Computed tomography, abdomen — Axial slice 25/87 — soft-tissue window (W 400 / L 40) — 512x512 px
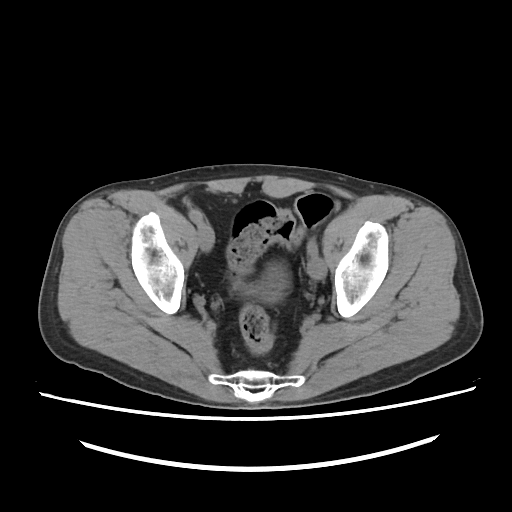
Boxes are (x1, y1, x2, y2) in pixels. The annotated organs in this slice are: bladder at (250, 265, 287, 302).